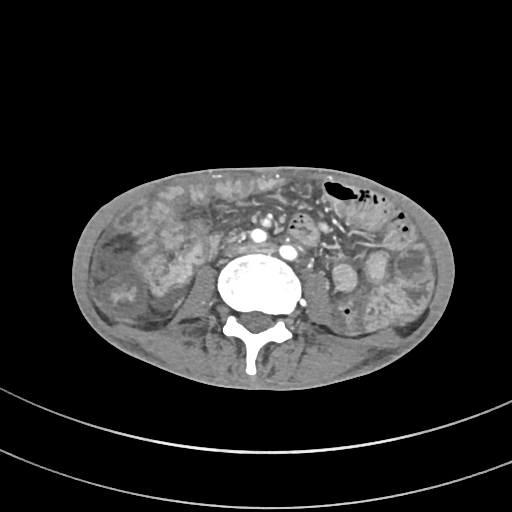 Computed tomography, abdomen · Axial slice 96/218 · 15 organs annotated in this scan (a whole-scan count: organs this slice does not pass through have no box)
Bounding boxes in pixels, one row per box: x1, y1 is the top-left corner and x2, y2 the bottom-right.
| organ | x1 | y1 | x2 | y2 |
|---|---|---|---|---|
| inferior vena cava | 230 | 246 | 243 | 253 |